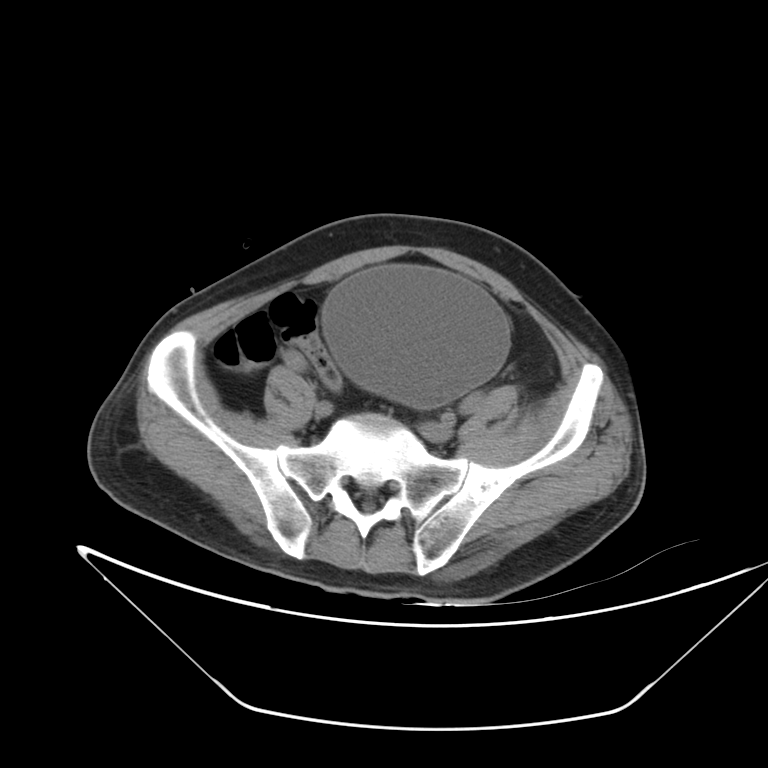 Computed tomography, abdomen. Axial slice 39/107
Boxes are (x1, y1, x2, y2) in pixels.
Organ bounding boxes:
- bladder: (324, 267, 508, 405)